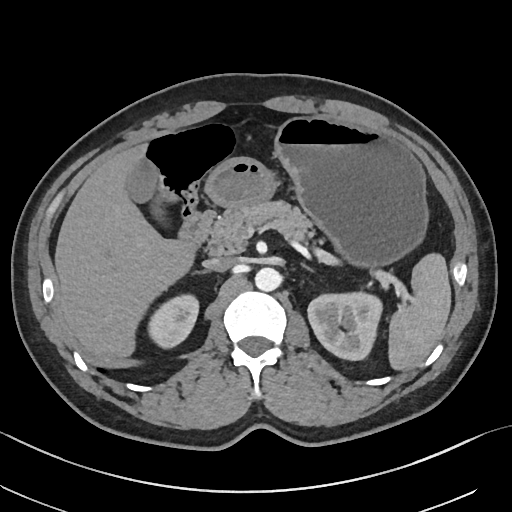

Abdominal CT — Axial slice 160/307 — W/L 400/40 HU
Bounding boxes as [x1, y1, x2, y2] in pixel coordinates.
Organ bounding boxes:
- right adrenal gland: [192, 269, 209, 273]
- stomach: [207, 115, 426, 265]
- liver: [55, 145, 195, 360]
- gall bladder: [124, 157, 157, 202]
- spleen: [389, 251, 450, 369]
- inferior vena cava: [203, 257, 237, 271]
- left adrenal gland: [301, 263, 314, 272]
- pancreas: [209, 201, 314, 255]
- aorta: [255, 267, 281, 291]
- duodenum: [178, 211, 214, 247]
- right kidney: [151, 295, 200, 349]
- left kidney: [308, 293, 382, 359]